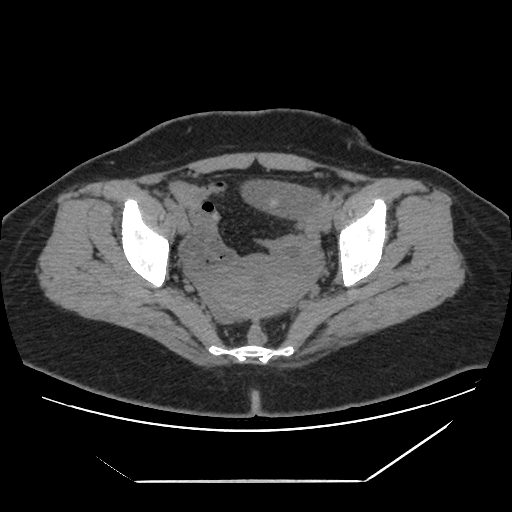
CT abdomen. axial view. SOMATOM Force scanner
<organs><organ name="prostate/uterus" x1="201" y1="258" x2="306" y2="321"/></organs>